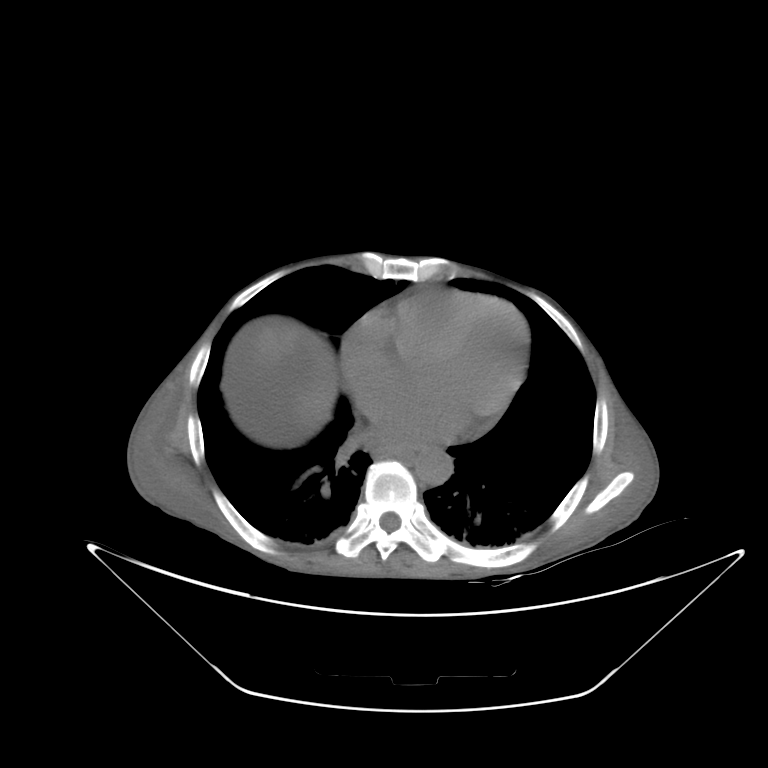
Abdominal CT — axial view — 768x768 px
<organs><organ name="esophagus" x1="374" y1="445" x2="417" y2="461"/><organ name="liver" x1="253" y1="322" x2="335" y2="430"/><organ name="aorta" x1="414" y1="448" x2="453" y2="486"/></organs>